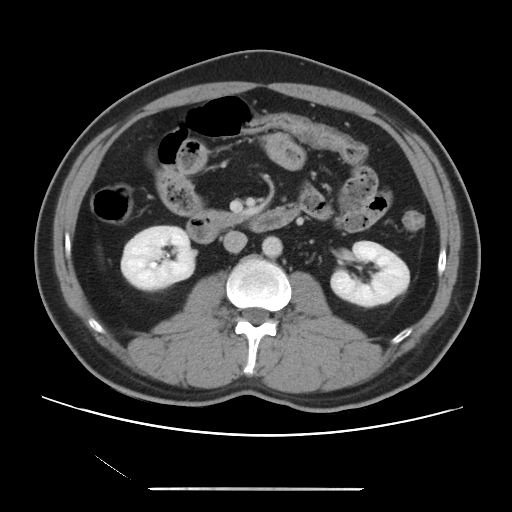 Computed tomography, abdomen; axial view; W/L 400/40 HU; SOMATOM Force scanner
Bounding boxes as [x1, y1, x2, y2] in pixel coordinates.
Organ bounding boxes:
- right kidney: [121, 226, 195, 290]
- left kidney: [331, 241, 409, 306]
- aorta: [262, 236, 282, 257]
- inferior vena cava: [223, 231, 247, 252]
- duodenum: [186, 203, 299, 243]